CT, abdomen/pelvis — axial view — abdomen soft-tissue window — 512x512 px
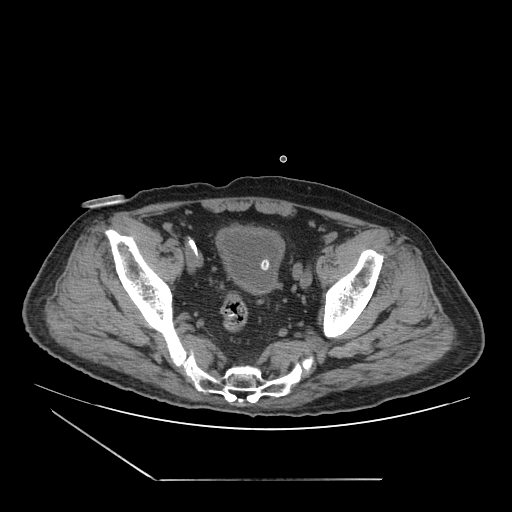

{"organs":{"bladder":[216,225,284,293]}}